Computed tomography, abdomen · axial view · abdomen soft-tissue window · 15 organs annotated in this scan (that count is for the whole scan; organs this slice misses have no box)
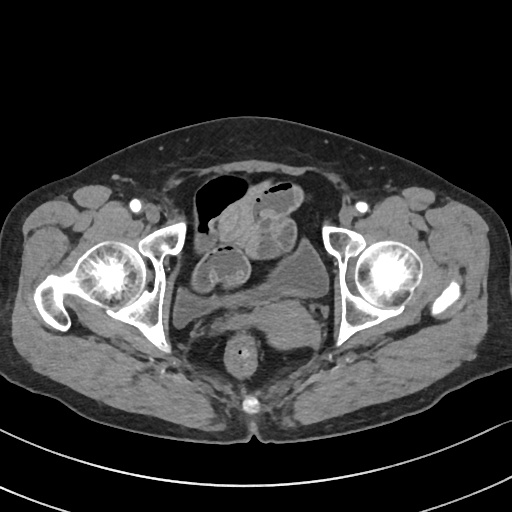 Boxes: x1 y1 x2 y2 (pixel coords, space-separated).
Organ bounding boxes:
- bladder: 172 241 329 327
- prostate/uterus: 253 302 318 348